CT abdomen; axial plane, index 24; 512x512 px
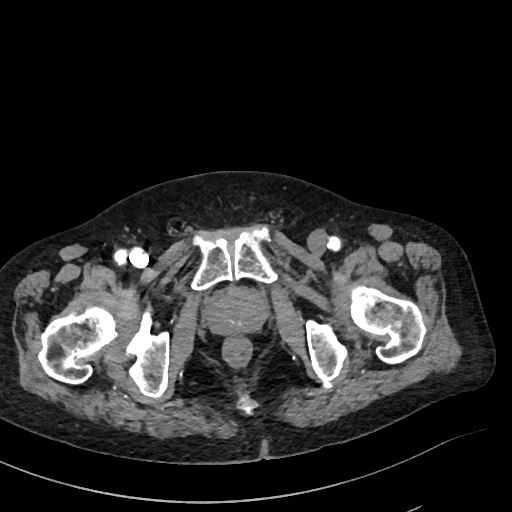

Boxes: x1 y1 x2 y2 (pixel coords, space-separated).
Organ bounding boxes:
- prostate/uterus: 206 290 265 334